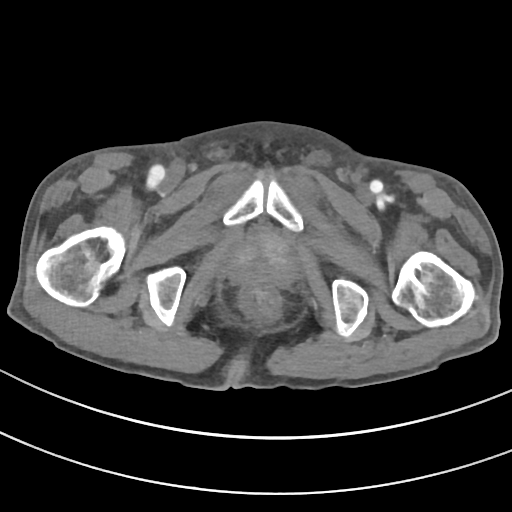
CT, abdomen/pelvis · axial view
<organs><organ name="prostate/uterus" x1="229" y1="233" x2="293" y2="284"/></organs>